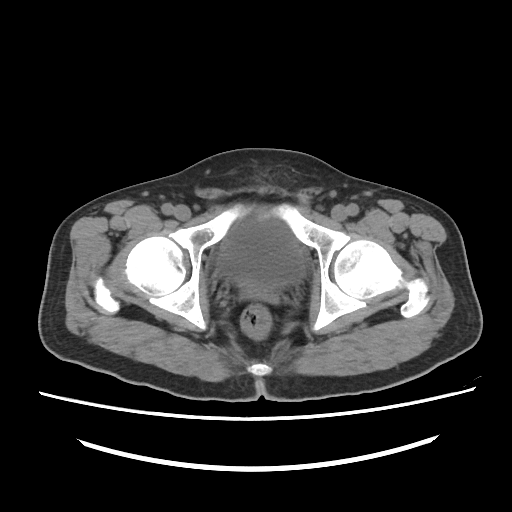

Computed tomography, abdomen; axial plane, index 12; 49-year-old male patient
Organ boxes in pixel coordinates; each row gives the top-left (x1, y1) and bottom-right (x2, y2) corners.
| organ | x1 | y1 | x2 | y2 |
|---|---|---|---|---|
| bladder | 219 | 214 | 303 | 288 |
| prostate/uterus | 242 | 282 | 272 | 296 |